CT, abdomen/pelvis. Axial slice 83/89. soft-tissue window (W 400 / L 40). 512x512 px
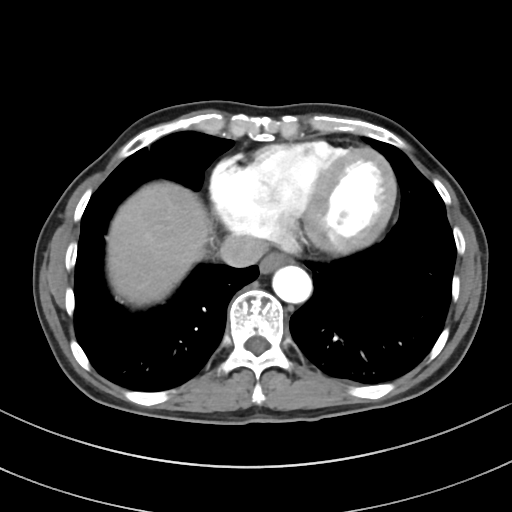 Organ boxes in pixel coordinates; each row gives the top-left (x1, y1) and bottom-right (x2, y2) corners.
| organ | x1 | y1 | x2 | y2 |
|---|---|---|---|---|
| inferior vena cava | 218 | 234 | 267 | 267 |
| liver | 107 | 182 | 212 | 306 |
| aorta | 272 | 265 | 312 | 303 |
| esophagus | 259 | 253 | 289 | 273 |